CT, abdomen/pelvis; Axial slice 54/108; abdomen soft-tissue window; 56-year-old male patient
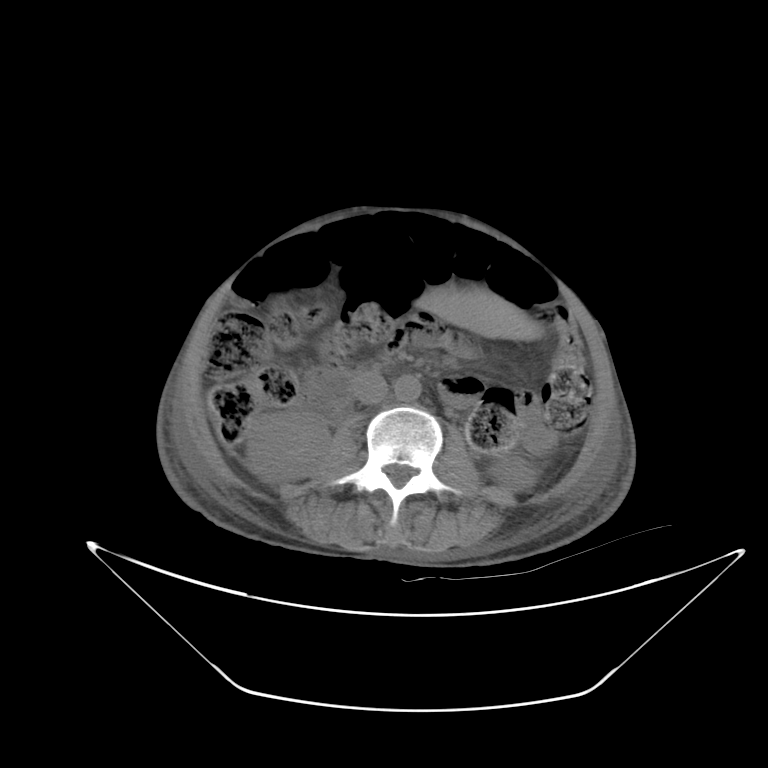
Bounding boxes as [x1, y1, x2, y2] in pixel coordinates.
Organ bounding boxes:
- aorta: [394, 374, 421, 401]
- liver: [414, 284, 543, 340]
- left kidney: [491, 456, 535, 490]
- inferior vena cava: [353, 371, 388, 404]
- right kidney: [246, 411, 329, 483]
- duodenum: [318, 405, 339, 420]